Abdominal CT; axial view; abdomen soft-tissue window; 512x512 px; 71-year-old female patient
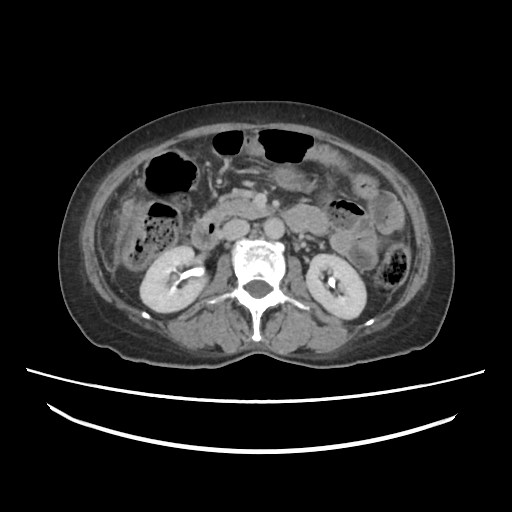
Boxes are (x1, y1, x2, y2) in pixels. 8 labeled organs on this slice — right kidney at (140, 246, 208, 312); left kidney at (306, 254, 365, 318); liver at (113, 198, 137, 243); stomach at (274, 165, 307, 190); aorta at (262, 217, 284, 239); inferior vena cava at (222, 219, 250, 239); pancreas at (219, 194, 270, 218); duodenum at (194, 207, 305, 249).